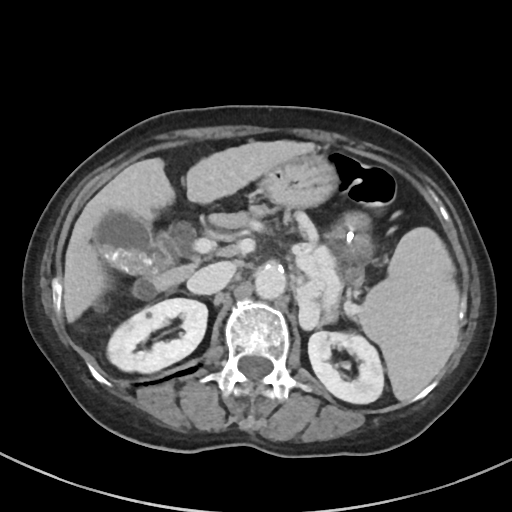
Computed tomography, abdomen · axial view · W/L 400/40 HU
Boxes are (x1, y1, x2, y2) in pixels. Labeled organs on this slice: spleen at (357, 227, 458, 400), right kidney at (107, 298, 207, 373), left kidney at (308, 331, 383, 403), gall bladder at (93, 211, 178, 276), liver at (63, 140, 316, 322), stomach at (260, 154, 373, 287), aorta at (254, 264, 286, 299), inferior vena cava at (187, 261, 235, 294), left adrenal gland at (319, 313, 335, 325).